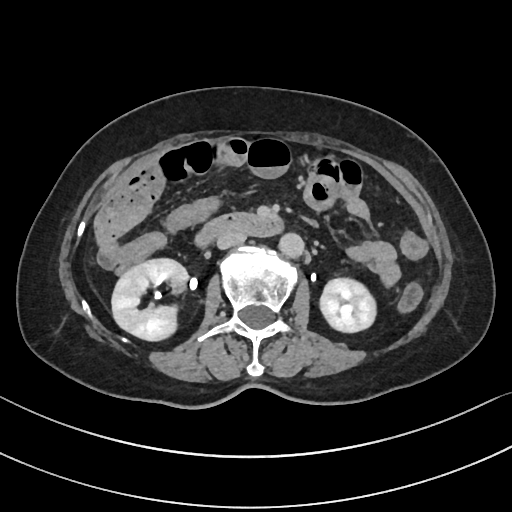
Computed tomography, abdomen; axial plane, index 129; soft-tissue window; 512x512 px; scan has 15 labeled organs (that count is for the whole scan; organs this slice misses have no box)
{"organs":{"duodenum":[196,213,282,245],"inferior vena cava":[217,228,246,249],"right kidney":[111,259,188,341],"aorta":[278,231,303,256],"left kidney":[320,277,376,332]}}